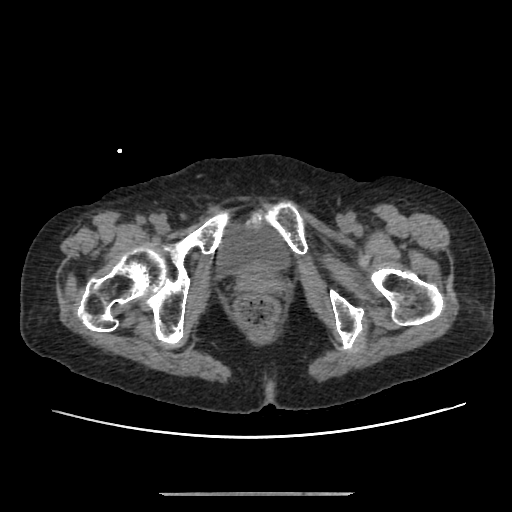 CT abdomen — axial view — 512x512 px
Box edges are left/top/right/bottom in pixels.
bladder: left=216, top=227, right=290, bottom=274